Abdominal CT. Axial slice 185/192
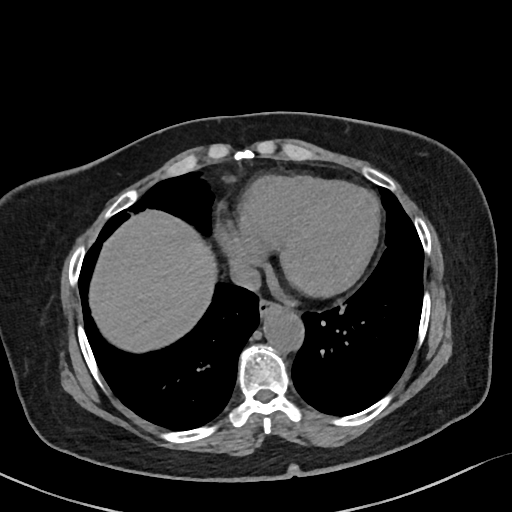 Each box given as x1,y1,x2,y2. Labeled organs on this slice: esophagus at x1=259, y1=301, x2=276, y2=314, liver at x1=89, y1=208, x2=214, y2=353, aorta at x1=262, y1=305, x2=302, y2=348, inferior vena cava at x1=231, y1=263, x2=262, y2=290.